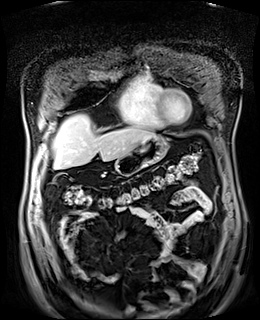 Magnetic resonance imaging, abdomen — coronal view — 1st–99th percentile window — acquired on Prisma — scan has 13 labeled organs (a whole-scan count: organs this slice does not pass through have no box)
Coordinates as <box>x1,y1,x2,y2</box> in pixels. 2 labeled organs on this slice — liver at <box>53,114,156,169</box>; stomach at <box>115,136,168,175</box>.